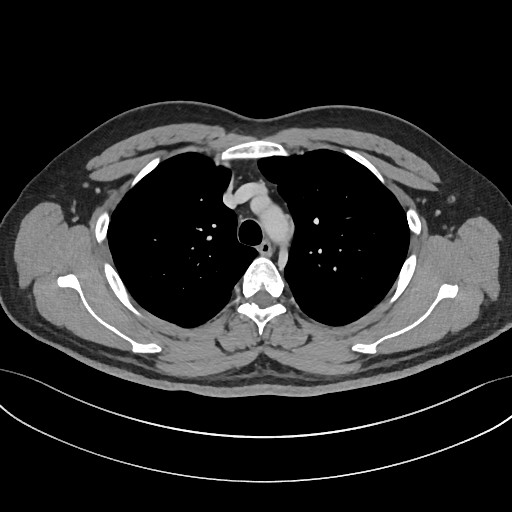

Chest-level CT slice, above the liver and spleen; axial plane, index 307; 512x512 px; scan has 15 labeled organs (a whole-scan count: organs this slice does not pass through have no box)
At this level of the chest no structure but the esophagus and the aorta has a label in this dataset, and those two are boxed only where they are labeled.
<organs><organ name="esophagus" x1="258" y1="239" x2="273" y2="254"/><organ name="aorta" x1="260" y1="202" x2="288" y2="243"/></organs>